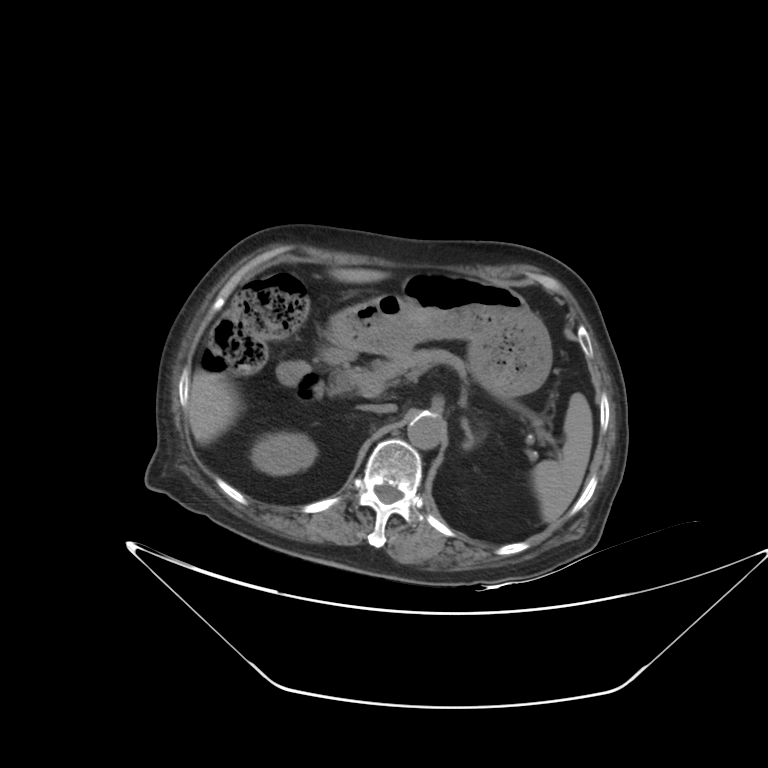 Computed tomography, abdomen. axial view
{"organs":{"right kidney":[251,432,316,474],"spleen":[532,393,593,523],"stomach":[327,273,552,399],"aorta":[407,412,444,449],"duodenum":[274,347,355,400],"liver":[188,268,388,443],"left adrenal gland":[461,418,479,449],"inferior vena cava":[360,403,396,413],"pancreas":[339,348,467,389]}}